CT of the abdomen extending into the chest, slice through the chest; axial view; soft-tissue window, W/L 400/40; 512x512 px; SOMATOM Force scanner
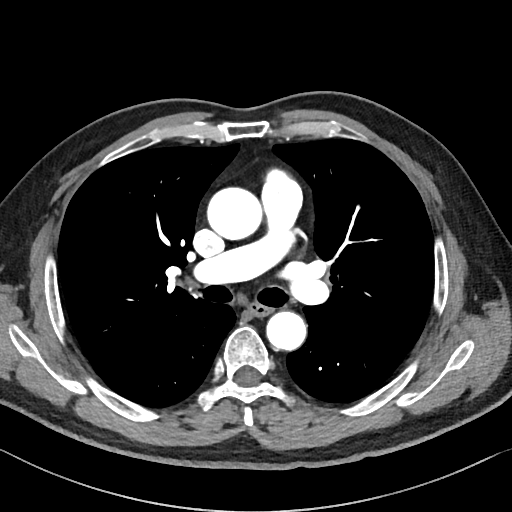
At this level of the chest this dataset labels only the esophagus and the aorta, and each is boxed only where it is labeled; the heart and lungs are never labeled.
Coordinates as <box>x1,y1,x2,y2</box> in pixels.
Organ bounding boxes:
- esophagus: <box>250,303,271,316</box>
- aorta: <box>207,187,262,240</box>
- aorta: <box>266,311,306,350</box>